CT, abdomen/pelvis · Axial slice 199/297 · 15 organs annotated in this scan (counted over the whole 3D scan, not this slice; an organ is boxed only where this slice passes through it)
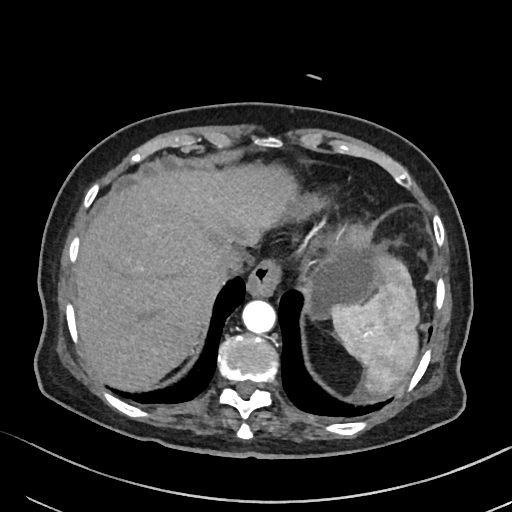 Coordinates as <box>x1,y1,x2,y2</box> in pixels.
Organ bounding boxes:
- spleen: <box>331,255,419,396</box>
- esophagus: <box>246,260,280,296</box>
- liver: <box>74,164,409,388</box>
- stomach: <box>302,244,377,319</box>
- aorta: <box>242,300,276,333</box>
- inferior vena cava: <box>215,252,243,278</box>